CT, abdomen/pelvis — axial view
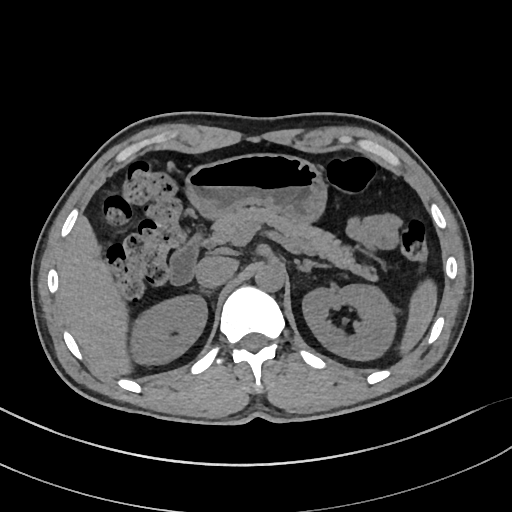
Each box given as x1,y1,x2,y2.
Organ bounding boxes:
- spleen: x1=399, y1=280, x2=435, y2=353
- right kidney: x1=130, y1=293, x2=206, y2=365
- left kidney: x1=303, y1=283, x2=394, y2=360
- liver: x1=59, y1=217, x2=130, y2=374
- stomach: x1=186, y1=153, x2=325, y2=219
- aorta: x1=255, y1=262, x2=284, y2=291
- inferior vena cava: x1=195, y1=255, x2=237, y2=287
- pancreas: x1=204, y1=204, x2=373, y2=278
- left adrenal gland: x1=299, y1=258, x2=327, y2=270
- duodenum: x1=167, y1=234, x2=201, y2=285